Abdominal CT · axial view · soft-tissue window · 512x512 px · SOMATOM Force scanner
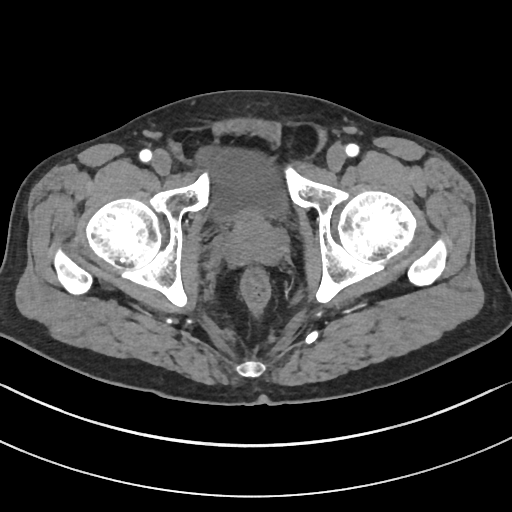

Coordinates as <box>x1,y1,x2,y2</box> in pixels.
Organ bounding boxes:
- bladder: <box>198,148,288,222</box>
- prostate/uterus: <box>224,211,285,265</box>